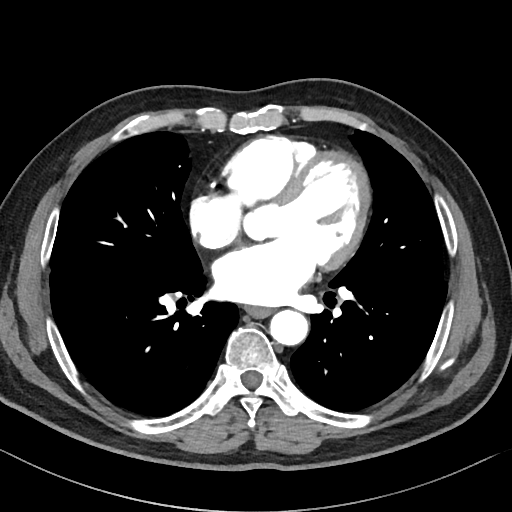
Lower-chest slice from an abdominal CT, just above the liver and spleen · axial view · 512x512 px
Of the structures in the chest, this dataset labels only the esophagus, the aorta and the inferior vena cava; the heart and lungs have no label.
Coordinates as <box>x1,y1,x2,y2</box> in pixels.
aorta: <box>269,310,308,345</box>
esophagus: <box>245,306,271,317</box>